CT, abdomen/pelvis — axial view — soft-tissue window — scan has 14 labeled organs (that count is for the whole scan; organs this slice misses have no box)
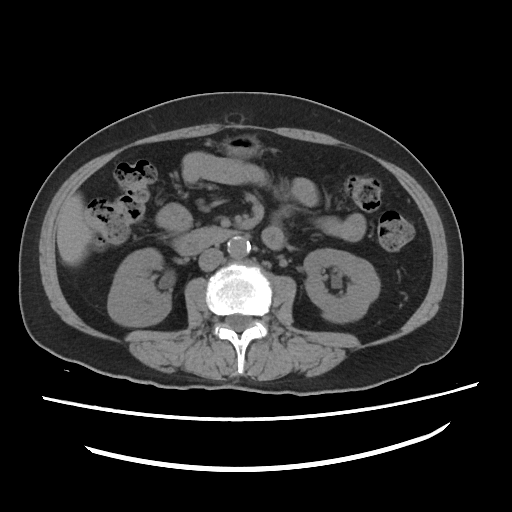 Bounding boxes as [x1, y1, x2, y2] in pixel coordinates.
right kidney: [108, 248, 170, 326]
left kidney: [304, 249, 379, 322]
liver: [57, 194, 90, 263]
stomach: [223, 135, 260, 157]
aorta: [227, 236, 250, 258]
inferior vena cava: [199, 248, 223, 271]
duodenum: [174, 227, 237, 255]